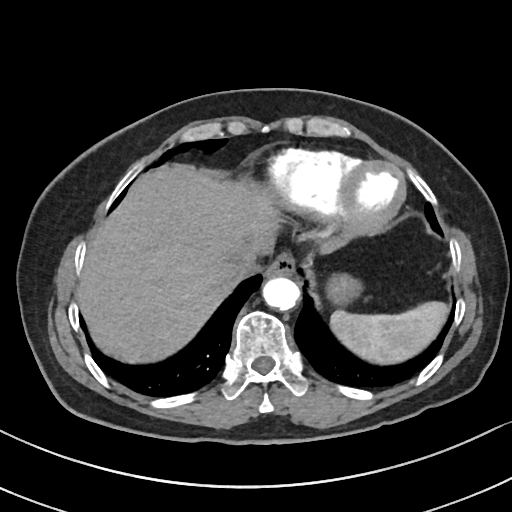

CT, abdomen/pelvis. Axial slice 192/294. soft-tissue window (W 400 / L 40)
<organs><organ name="spleen" x1="330" y1="301" x2="450" y2="364"/><organ name="esophagus" x1="267" y1="251" x2="296" y2="275"/><organ name="liver" x1="76" y1="163" x2="335" y2="363"/><organ name="stomach" x1="329" y1="271" x2="360" y2="303"/><organ name="aorta" x1="262" y1="276" x2="299" y2="309"/><organ name="inferior vena cava" x1="222" y1="256" x2="261" y2="282"/></organs>